Abdominal CT. axial view. 512x512 px
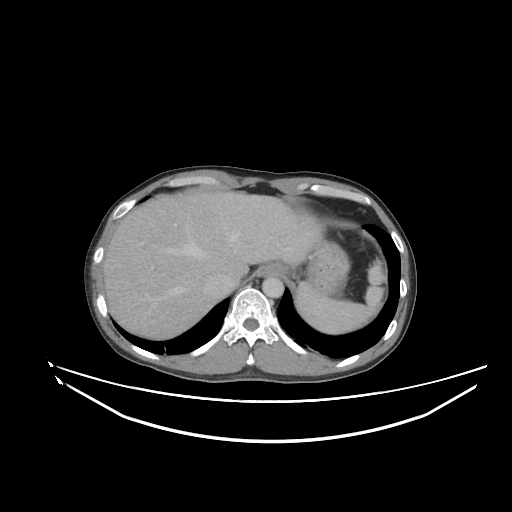 Each box given as x1,y1,x2,y2.
spleen: x1=296, y1=262, x2=385, y2=334
esophagus: x1=257, y1=264, x2=285, y2=276
liver: x1=103, y1=191, x2=322, y2=339
stomach: x1=284, y1=239, x2=349, y2=296
aorta: x1=262, y1=276, x2=284, y2=297
inferior vena cava: x1=204, y1=273, x2=238, y2=294